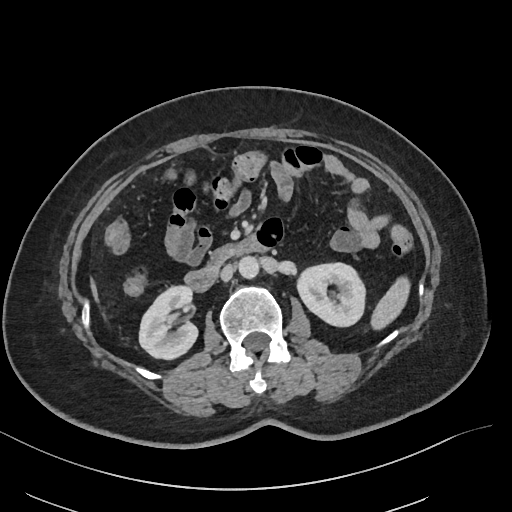 CT, abdomen/pelvis · Axial slice 152/244 · acquired on SOMATOM Force
Boxes are (x1, y1, x2, y2) in pixels.
spleen: (370, 278, 410, 329)
right kidney: (139, 284, 196, 358)
left kidney: (298, 261, 366, 326)
liver: (90, 279, 99, 303)
aorta: (238, 255, 259, 277)
inferior vena cava: (220, 263, 234, 281)
pancreas: (213, 247, 232, 264)
duodenum: (185, 239, 261, 291)